Abdominal MRI; this slice is in the lower chest, just above the liver. axial view. 576x468 px. acquired on Prisma. scan has 13 labeled organs (a whole-scan count: organs this slice does not pass through have no box)
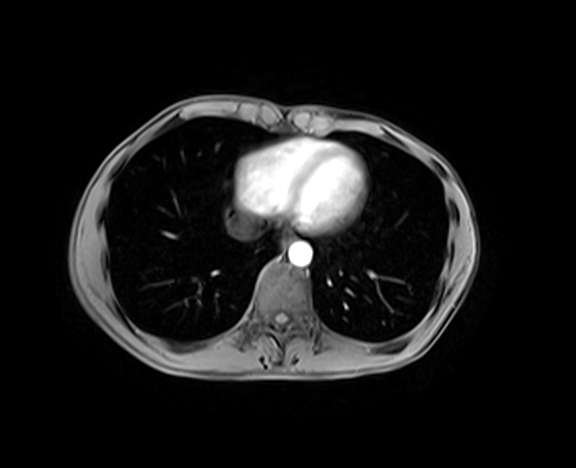

The heart and lungs are never labeled in this dataset, so they have no box on this slice.
Box edges are left/top/right/bottom in pixels.
Organ bounding boxes:
- aorta: left=288, top=241, right=312, bottom=266
- esophagus: left=281, top=232, right=292, bottom=245
- inferior vena cava: left=227, top=215, right=259, bottom=237